CT abdomen. axial view. 768x768 px
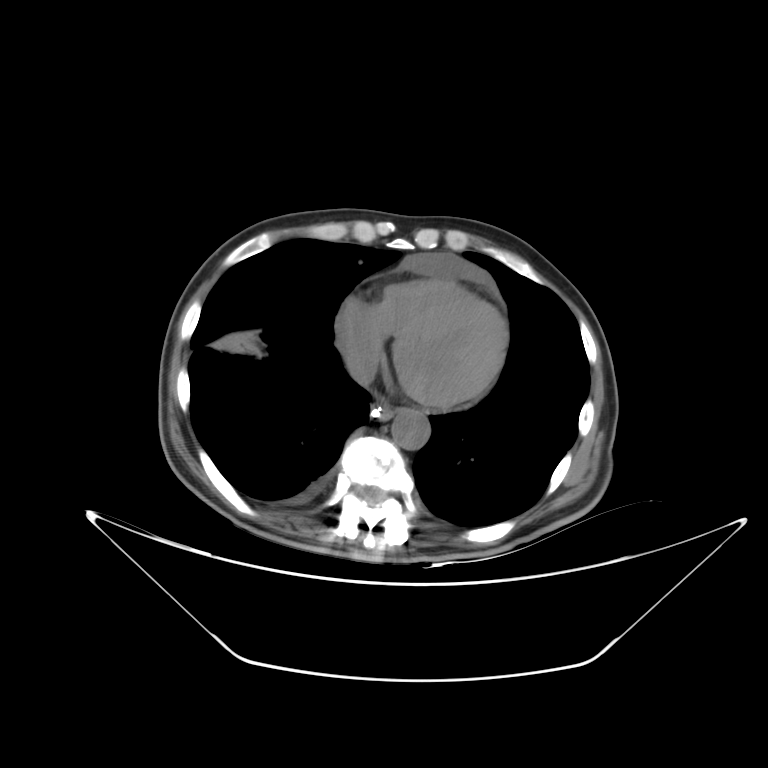 Boxes: x1:y1:x2:y2 in pixels.
esophagus: 371:405:393:418
liver: 217:333:252:351
aorta: 391:410:429:449
inferior vena cava: 349:363:369:384